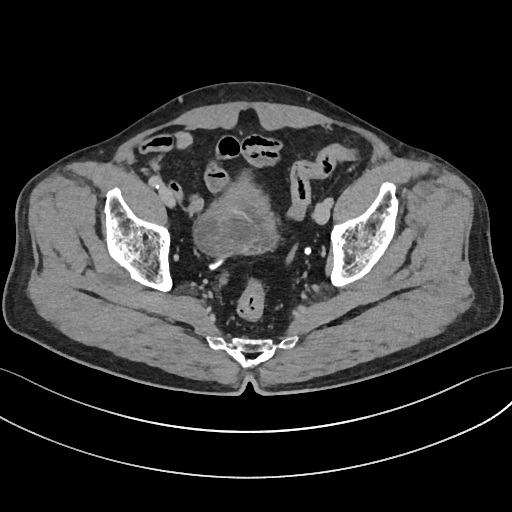

CT abdomen. axial view
Coordinates as <box>x1,y1,x2,y2</box> in pixels.
bladder: <box>191,171,278,255</box>